CT abdomen — Axial slice 139/306 — W/L 400/40 HU — 512x512 px — scan has 15 labeled organs (counted over the whole 3D scan, not this slice; an organ is boxed only where this slice passes through it)
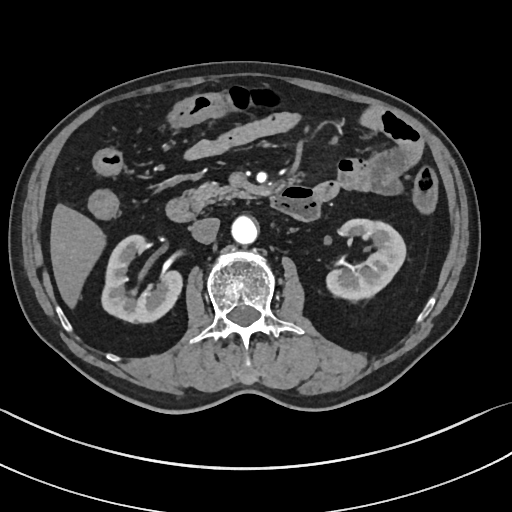

<organs><organ name="right kidney" x1="102" y1="236" x2="183" y2="324"/><organ name="left kidney" x1="326" y1="220" x2="406" y2="298"/><organ name="liver" x1="50" y1="203" x2="104" y2="310"/><organ name="aorta" x1="231" y1="217" x2="257" y2="245"/><organ name="inferior vena cava" x1="189" y1="217" x2="219" y2="243"/><organ name="pancreas" x1="184" y1="182" x2="257" y2="210"/><organ name="duodenum" x1="165" y1="186" x2="320" y2="222"/></organs>